CT, abdomen/pelvis. axial plane, index 34. soft-tissue window (W 400 / L 40). 512x512 px
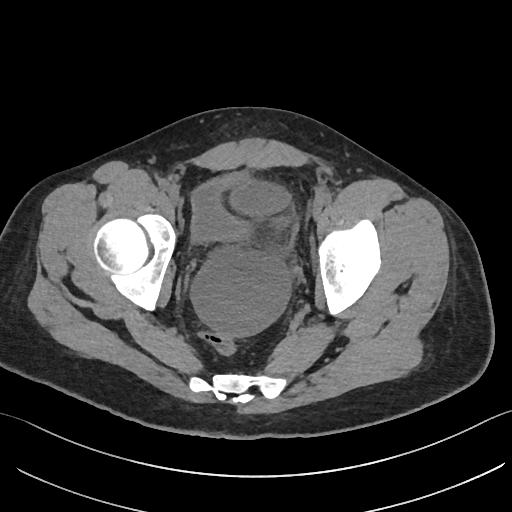 Boxes: x1:y1:x2:y2 in pixels.
Organ bounding boxes:
- bladder: 190:172:253:244